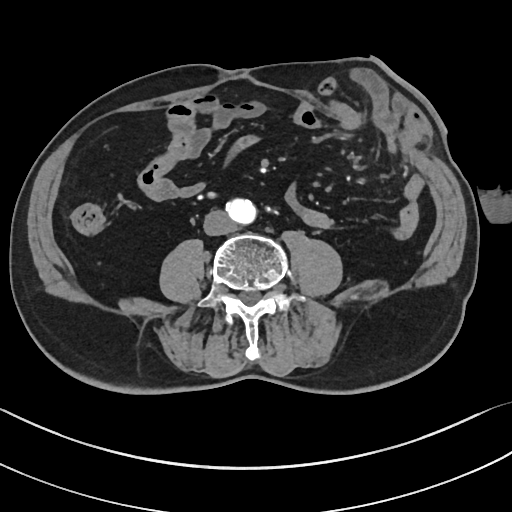
CT, abdomen/pelvis · axial view
<organs><organ name="aorta" x1="225" y1="198" x2="256" y2="224"/><organ name="inferior vena cava" x1="204" y1="210" x2="236" y2="235"/></organs>